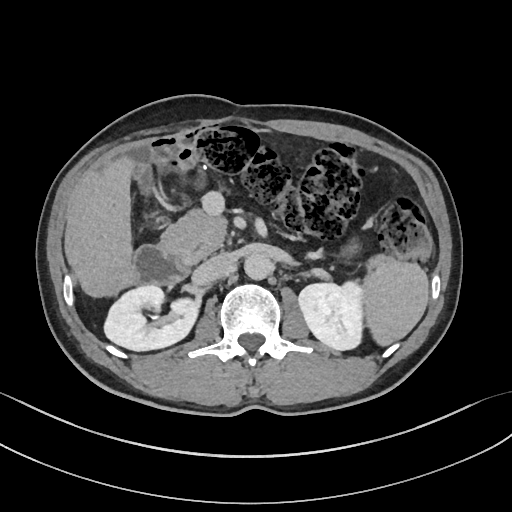

Abdominal CT; Axial slice 158/230; 512x512 px
<organs><organ name="spleen" x1="363" y1="254" x2="429" y2="347"/><organ name="right kidney" x1="105" y1="285" x2="196" y2="350"/><organ name="left kidney" x1="298" y1="281" x2="362" y2="350"/><organ name="liver" x1="87" y1="157" x2="134" y2="269"/><organ name="aorta" x1="244" y1="253" x2="272" y2="280"/><organ name="inferior vena cava" x1="199" y1="253" x2="235" y2="282"/><organ name="pancreas" x1="160" y1="208" x2="228" y2="259"/><organ name="duodenum" x1="129" y1="245" x2="187" y2="287"/></organs>